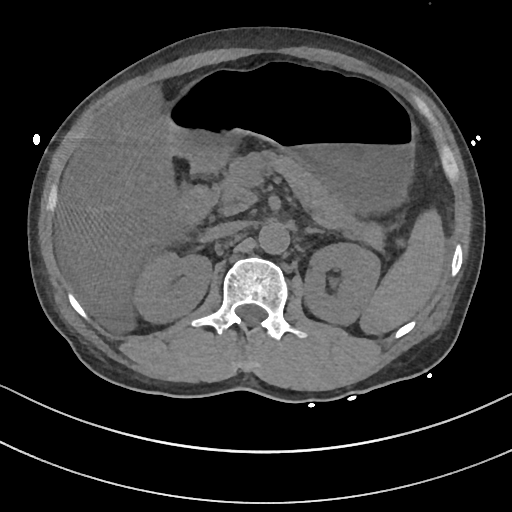
Abdominal CT — axial plane, index 167 — soft-tissue window
Boxes: x1 y1 x2 y2 (pixel coords, space-separated). The annotated organs in this slice are: spleen at 359 208 446 334, right kidney at 136 253 211 323, left kidney at 303 244 379 325, liver at 57 83 188 314, stomach at 167 71 416 216, aorta at 258 221 290 254, inferior vena cava at 206 220 247 239, pancreas at 220 151 382 247, left adrenal gland at 303 227 324 235, duodenum at 178 183 216 224.